Abdominal CT; axial plane, index 133; 512x512 px; acquired on SOMATOM Force
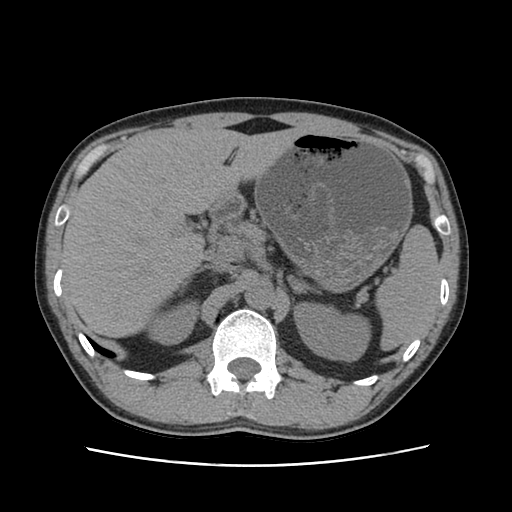 <organs><organ name="left adrenal gland" x1="289" y1="277" x2="320" y2="297"/><organ name="duodenum" x1="212" y1="193" x2="242" y2="226"/><organ name="pancreas" x1="237" y1="221" x2="263" y2="239"/><organ name="stomach" x1="256" y1="133" x2="413" y2="293"/><organ name="inferior vena cava" x1="205" y1="252" x2="235" y2="271"/><organ name="right adrenal gland" x1="182" y1="266" x2="215" y2="287"/><organ name="aorta" x1="244" y1="280" x2="275" y2="310"/><organ name="spleen" x1="376" y1="224" x2="439" y2="351"/><organ name="left kidney" x1="294" y1="304" x2="368" y2="361"/><organ name="liver" x1="64" y1="128" x2="310" y2="338"/><organ name="right kidney" x1="151" y1="303" x2="196" y2="343"/></organs>